CT, abdomen/pelvis · axial view · 512x512 px · acquired on SOMATOM Force · 15 organs annotated in this scan (that count is for the whole scan; organs this slice misses have no box)
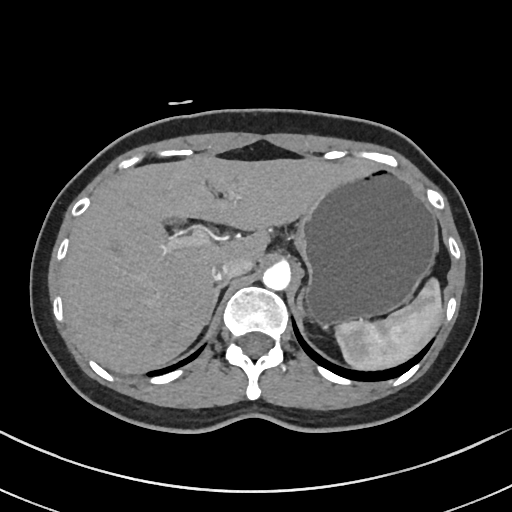 Each box given as x1,y1,x2,y2.
spleen: x1=335, y1=278, x2=442, y2=370
liver: x1=61, y1=154, x2=369, y2=373
stomach: x1=294, y1=167, x2=438, y2=324
aorta: x1=262, y1=262, x2=290, y2=290
inferior vena cava: x1=211, y1=257, x2=251, y2=279
right adrenal gland: x1=207, y1=280, x2=228, y2=323
left adrenal gland: x1=298, y1=289, x2=305, y2=314